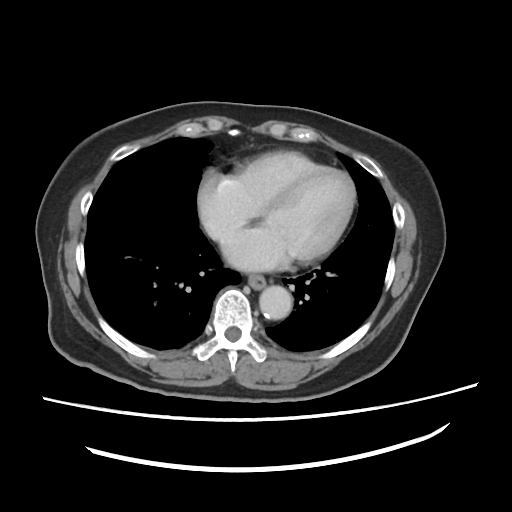
CT of the abdomen reaching into the lower chest, slice just above the liver and spleen · axial plane, index 90 · soft-tissue window
The heart and lungs are never labeled in this dataset, so they have no box on this slice.
<organs><organ name="esophagus" x1="249" y1="275" x2="265" y2="289"/><organ name="aorta" x1="258" y1="286" x2="292" y2="318"/></organs>